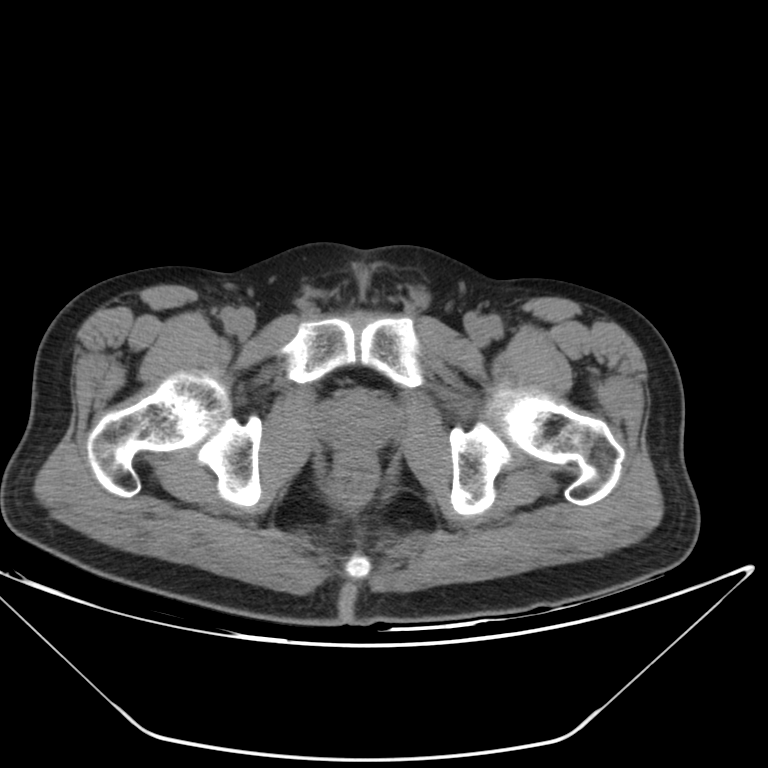
CT, abdomen/pelvis — axial view — abdomen soft-tissue window — 768x768 px
Organ boxes in pixel coordinates; each row gives the top-left (x1, y1) and bottom-right (x2, y2) corners.
| organ | x1 | y1 | x2 | y2 |
|---|---|---|---|---|
| prostate/uterus | 318 | 392 | 397 | 453 |